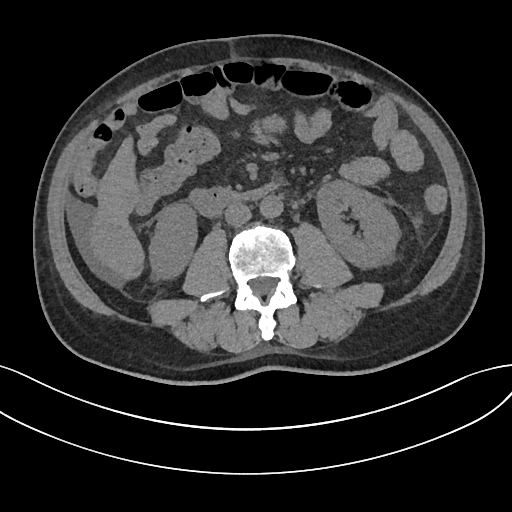
CT, abdomen/pelvis; axial view; 512x512 px; SOMATOM Force scanner
Each box given as x1,y1,x2,y2.
Organ bounding boxes:
- spleen: x1=414, y1=220, x2=420, y2=226
- right kidney: x1=148, y1=201, x2=198, y2=278
- left kidney: x1=317, y1=180, x2=401, y2=269
- liver: x1=88, y1=133, x2=145, y2=281
- aorta: x1=260, y1=196, x2=283, y2=218
- inferior vena cava: x1=224, y1=203, x2=251, y2=226
- duodenum: x1=189, y1=186, x2=273, y2=216